Chest-level CT slice, above the liver and spleen; axial view
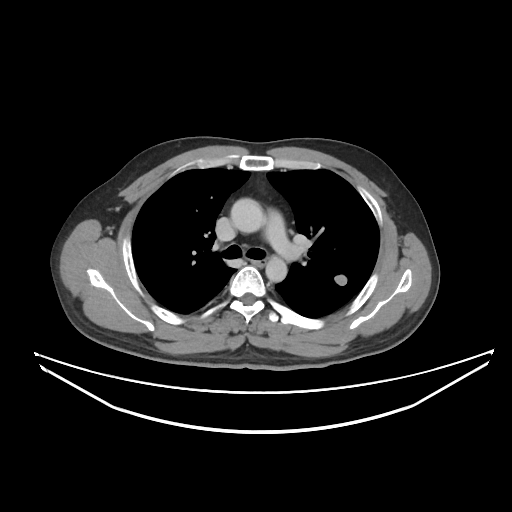
At this level of the chest no structure but the esophagus and the aorta has a label in this dataset, and those two are boxed only where they are labeled.
Boxes: x1 y1 x2 y2 (pixel coords, space-separated).
esophagus: 251 260 266 267
aorta: 230 198 264 233
aorta: 265 256 286 281